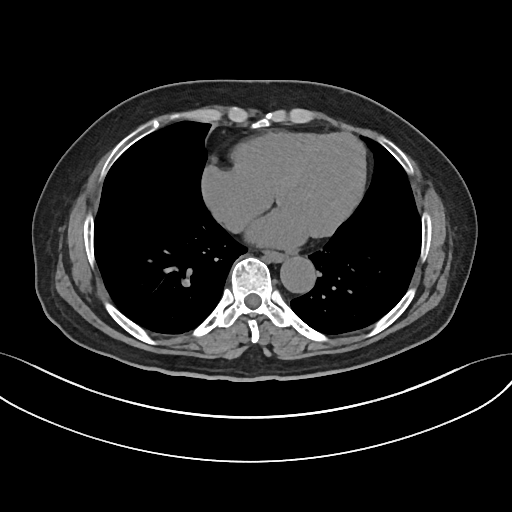
Lower-chest slice from an abdominal CT, just above the liver and spleen; axial view; soft-tissue window
No part of the heart or lungs is labeled in this dataset, so neither has a box here.
{"organs":{"aorta":[280,257,315,294],"esophagus":[265,251,286,262]}}